CT abdomen. Axial slice 29/95
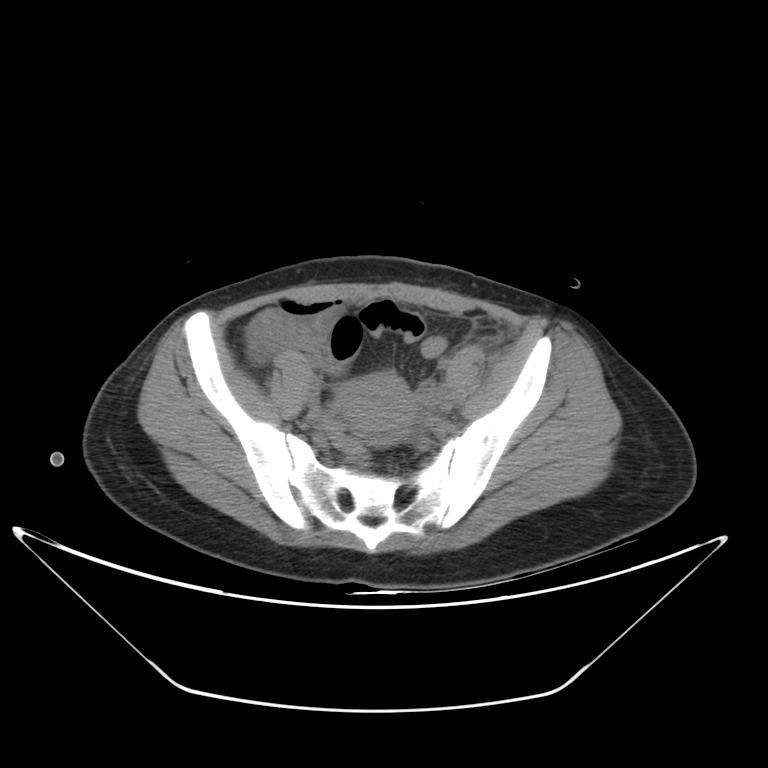

Box edges are left/top/right/bottom in pixels. The annotated organs in this slice are: prostate/uterus at left=338, top=371, right=416, bottom=440.